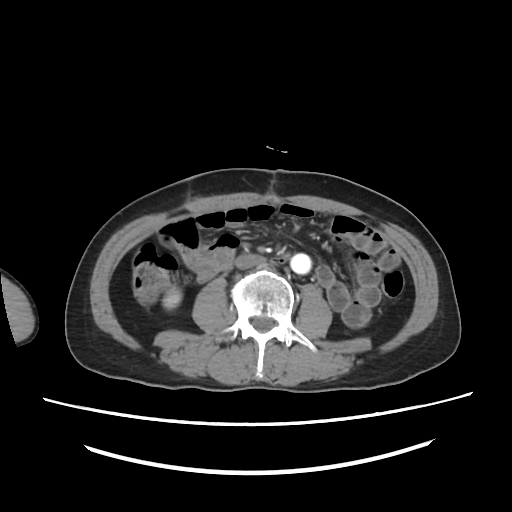 CT, abdomen/pelvis — axial view — soft-tissue window — 512x512 px — 61-year-old male patient — 14 organs annotated in this scan (that count is for the whole scan; organs this slice misses have no box)
<organs><organ name="right kidney" x1="163" y1="288" x2="181" y2="309"/><organ name="aorta" x1="291" y1="253" x2="310" y2="274"/><organ name="inferior vena cava" x1="235" y1="254" x2="268" y2="269"/></organs>